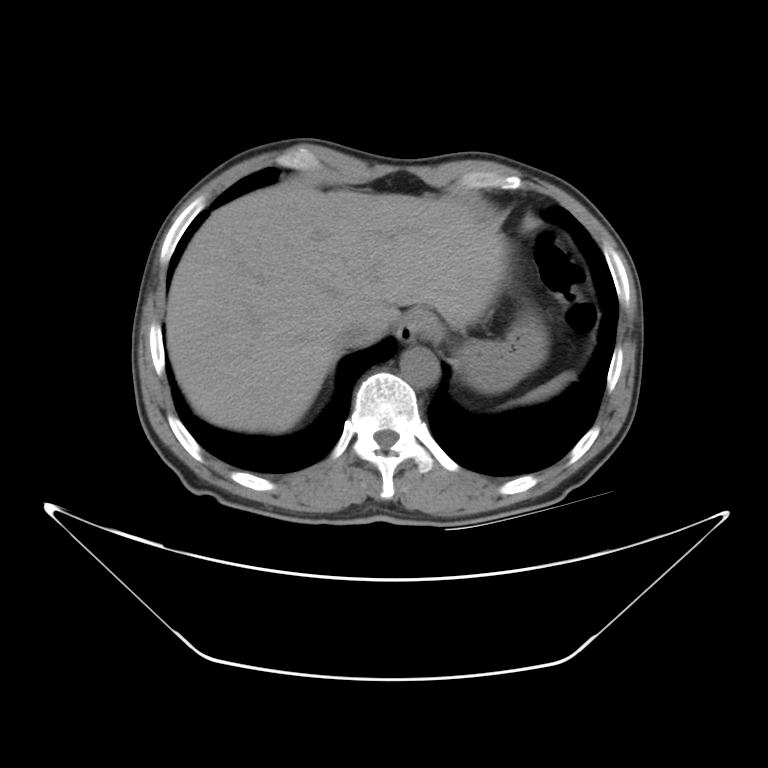
CT, abdomen/pelvis; axial plane, index 75
Boxes are (x1, y1, x2, y2) in pixels.
inferior vena cava: (329, 321, 392, 357)
spleen: (498, 371, 577, 411)
stomach: (410, 310, 547, 389)
aorta: (400, 348, 439, 387)
esophagus: (395, 316, 417, 343)
liver: (167, 186, 502, 431)